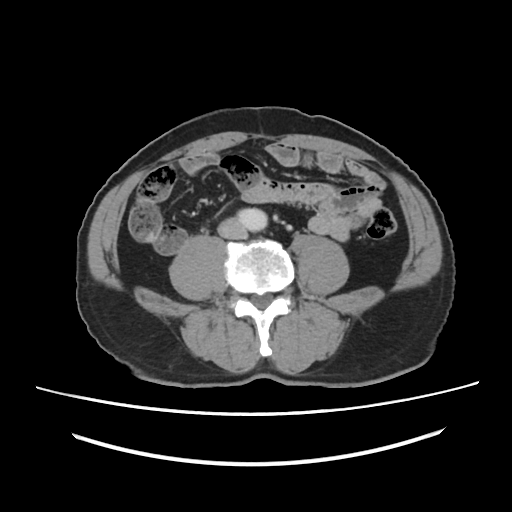 CT, abdomen/pelvis · axial view · 512x512 px
<organs><organ name="inferior vena cava" x1="218" y1="218" x2="246" y2="239"/><organ name="aorta" x1="238" y1="208" x2="267" y2="231"/></organs>